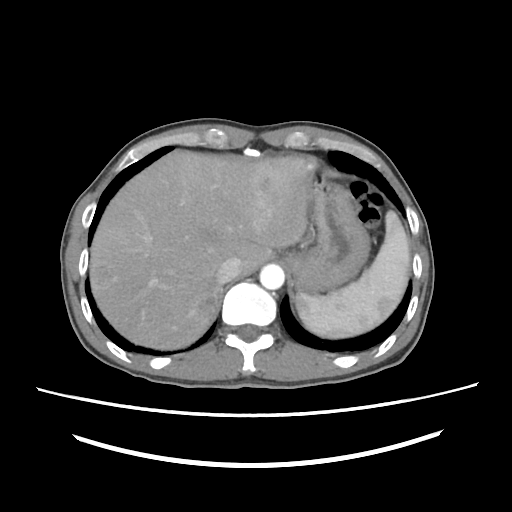
Computed tomography, abdomen — axial plane, index 41 — W/L 400/40 HU — 512x512 px — 51-year-old male patient — 13 organs annotated in this scan (a whole-scan count: organs this slice does not pass through have no box)
{"organs":{"spleen":[295,211,411,339],"liver":[90,150,315,348],"stomach":[289,169,369,293],"aorta":[260,263,284,289],"inferior vena cava":[218,257,240,283]}}